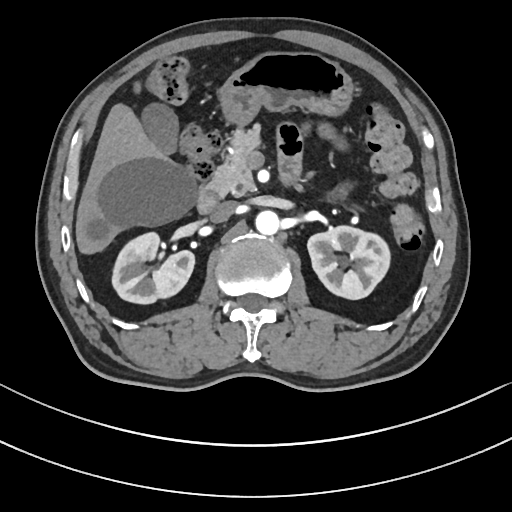

Computed tomography, abdomen. Axial slice 136/280
{"organs":{"aorta":[255,211,281,236],"duodenum":[196,183,220,212],"liver":[75,102,197,255],"pancreas":[211,130,259,197],"right kidney":[112,233,195,304],"left kidney":[307,226,389,299],"inferior vena cava":[210,201,236,222],"gall bladder":[141,102,190,175],"stomach":[218,52,353,127]}}